Lower-chest slice from an abdominal CT, just above the liver and spleen — Axial slice 82/82 — soft-tissue window (W 400 / L 40)
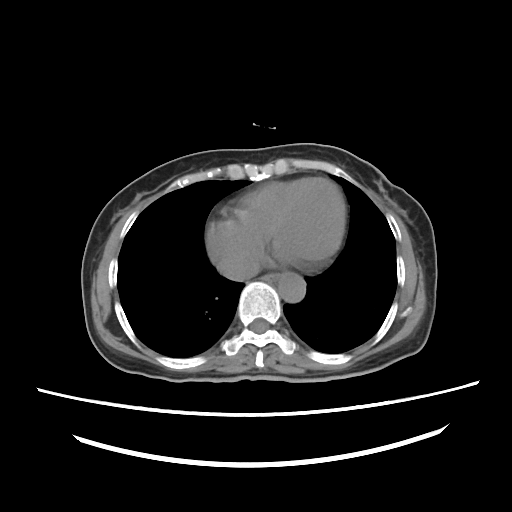

No part of the heart or lungs is labeled in this dataset, so neither has a box here.
{"organs":{"esophagus":[262,274,278,281],"aorta":[278,272,305,302],"inferior vena cava":[219,263,257,280]}}